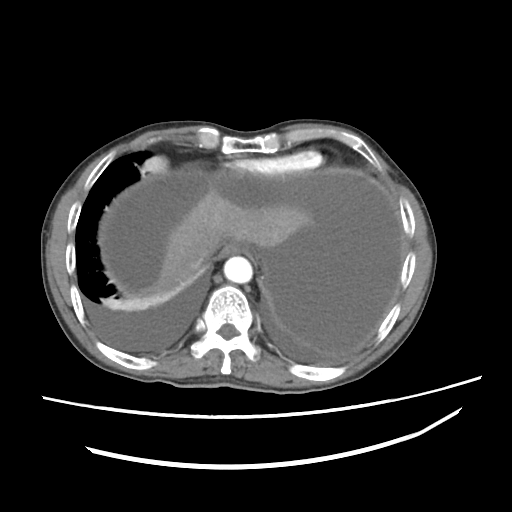
Abdominal CT; axial view; 50-year-old male patient; Aquilion ONE scanner
<organs><organ name="esophagus" x1="218" y1="242" x2="257" y2="258"/><organ name="inferior vena cava" x1="190" y1="252" x2="207" y2="268"/><organ name="aorta" x1="224" y1="255" x2="252" y2="283"/><organ name="liver" x1="140" y1="188" x2="312" y2="293"/></organs>